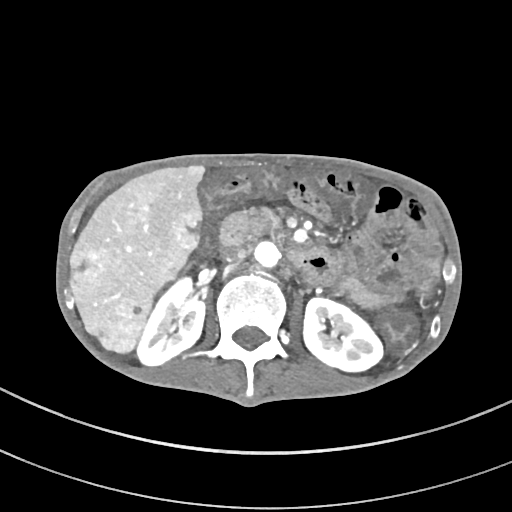
CT abdomen · Axial slice 134/218 · 512x512 px
Bounding boxes in pixels, one row per box: x1, y1 is the top-left corner and x2, y2 the bottom-right.
| organ | x1 | y1 | x2 | y2 |
|---|---|---|---|---|
| duodenum | 220 | 210 | 339 | 285 |
| left kidney | 302 | 297 | 383 | 372 |
| pancreas | 261 | 209 | 281 | 235 |
| liver | 70 | 165 | 205 | 353 |
| aorta | 252 | 241 | 280 | 268 |
| right kidney | 138 | 278 | 205 | 365 |
| inferior vena cava | 223 | 247 | 248 | 263 |